CT, abdomen/pelvis. Axial slice 43/118. soft-tissue window (W 400 / L 40). 512x512 px. 54-year-old female patient. Aquilion ONE scanner
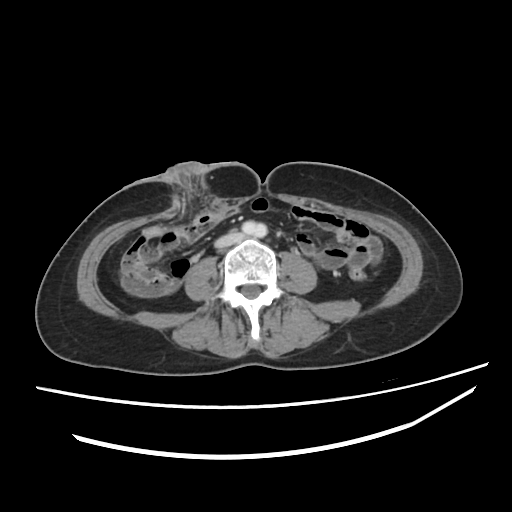
Boxes: x1:y1:x2:y2 in pixels.
inferior vena cava: 215:233:243:247